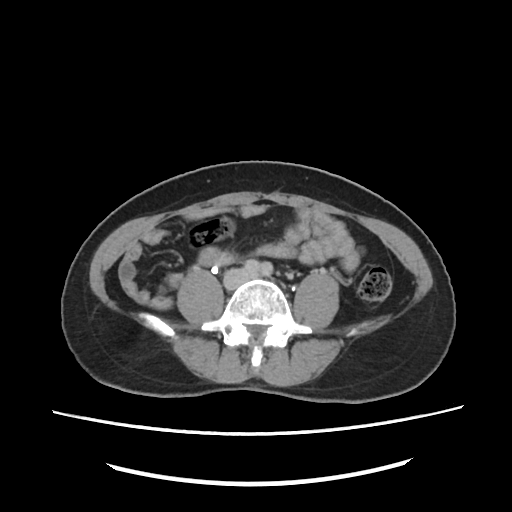 Computed tomography, abdomen. Axial slice 39/85. W/L 400/40 HU. 50-year-old female patient
{"organs":{"inferior vena cava":[225,268,252,289]}}